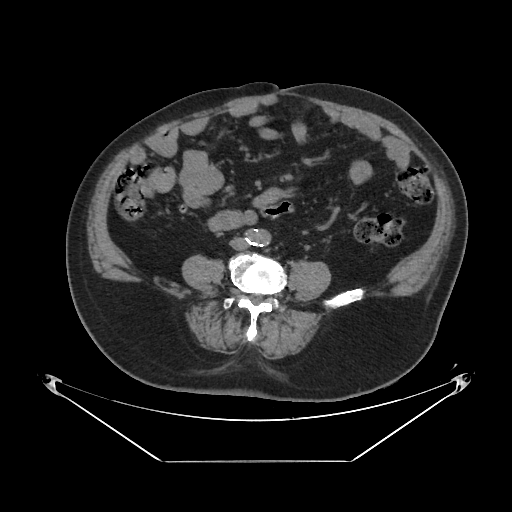

Abdominal CT. axial view
<organs><organ name="aorta" x1="245" y1="229" x2="270" y2="246"/><organ name="inferior vena cava" x1="229" y1="237" x2="247" y2="250"/></organs>